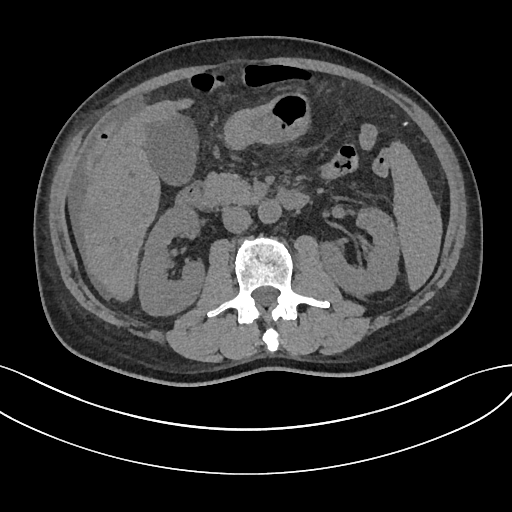
Computed tomography, abdomen · axial view
{"organs":{"inferior vena cava":[222,206,251,233],"duodenum":[176,182,308,209],"gall bladder":[146,114,197,185],"pancreas":[203,172,262,204],"spleen":[389,142,442,290],"right kidney":[138,206,204,315],"liver":[78,99,191,301],"stomach":[224,92,310,149],"left kidney":[320,208,399,296],"aorta":[258,200,281,223]}}